CT abdomen. Axial slice 53/85. 50-year-old female patient. acquired on Aquilion ONE. scan has 15 labeled organs (a whole-scan count: organs this slice does not pass through have no box)
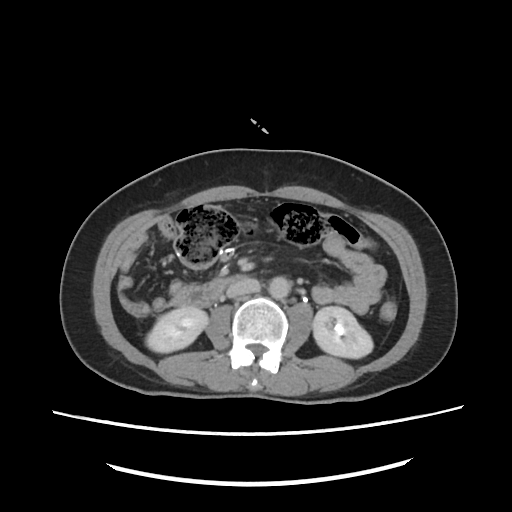

Organ boxes in pixel coordinates; each row gives the top-left (x1, y1) and bottom-right (x2, y2) corners.
| organ | x1 | y1 | x2 | y2 |
|---|---|---|---|---|
| right kidney | 145 | 307 | 206 | 352 |
| left kidney | 312 | 307 | 373 | 356 |
| aorta | 270 | 277 | 290 | 299 |
| inferior vena cava | 226 | 277 | 259 | 297 |
| duodenum | 170 | 274 | 247 | 307 |